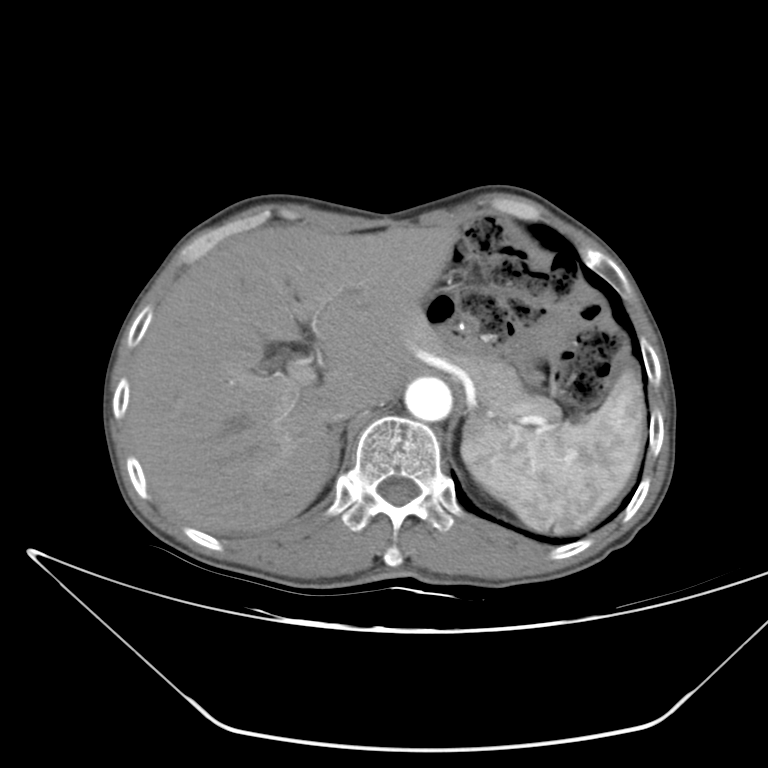
CT, abdomen/pelvis · axial view · 768x768 px · 62-year-old male patient
{"organs":{"spleen":[461,368,645,532],"liver":[127,225,458,533],"aorta":[405,378,451,421],"inferior vena cava":[318,385,371,424],"pancreas":[396,309,561,423],"right adrenal gland":[332,425,343,472]}}